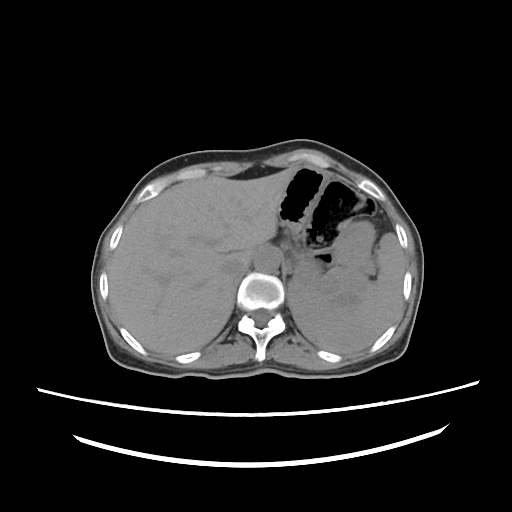

Computed tomography, abdomen. Axial slice 71/82. 512x512 px
Each box given as x1,y1,x2,y2.
spleen: x1=288, y1=233, x2=404, y2=353
liver: x1=108, y1=169, x2=294, y2=354
stomach: x1=277, y1=166, x2=374, y2=305
aorta: x1=254, y1=247, x2=281, y2=272
inferior vena cava: x1=223, y1=260, x2=249, y2=277